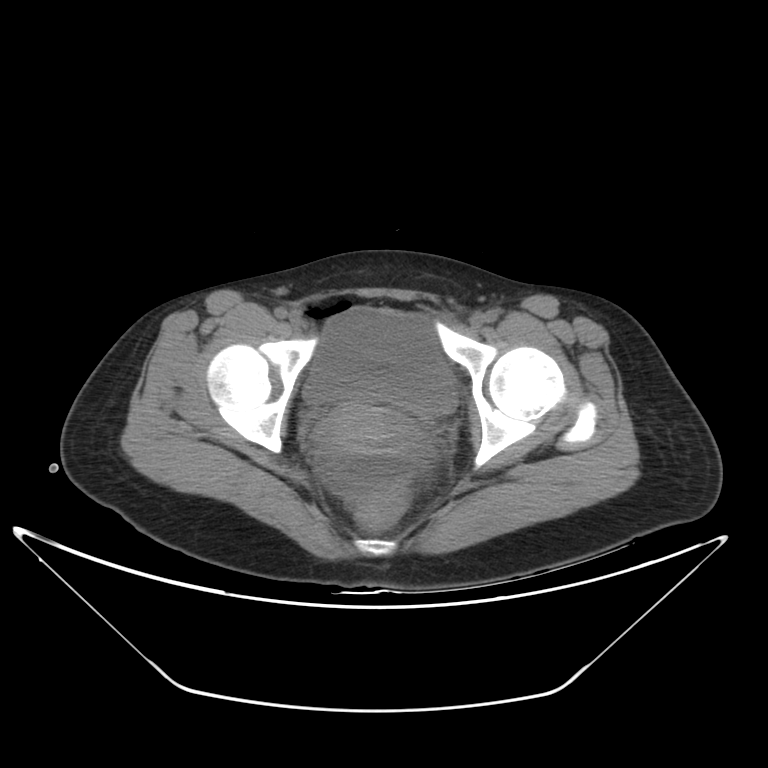

CT abdomen; axial view
<organs><organ name="bladder" x1="303" y1="308" x2="456" y2="413"/><organ name="prostate/uterus" x1="315" y1="407" x2="430" y2="457"/></organs>